CT abdomen · Axial slice 193/231 · scan has 15 labeled organs (counted over the whole 3D scan, not this slice; an organ is boxed only where this slice passes through it)
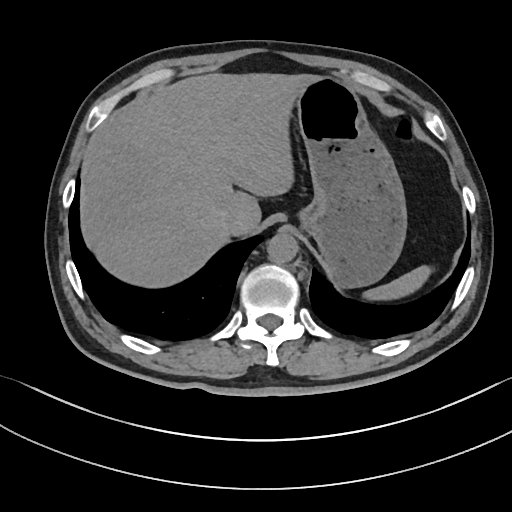 Each box given as x1,y1,x2,y2. 5 labeled organs on this slice — spleen at x1=363, y1=265, x2=431, y2=300; liver at x1=80, y1=73, x2=316, y2=287; stomach at x1=296, y1=77, x2=406, y2=287; aorta at x1=267, y1=232, x2=298, y2=263; inferior vena cava at x1=222, y1=210, x2=243, y2=235.